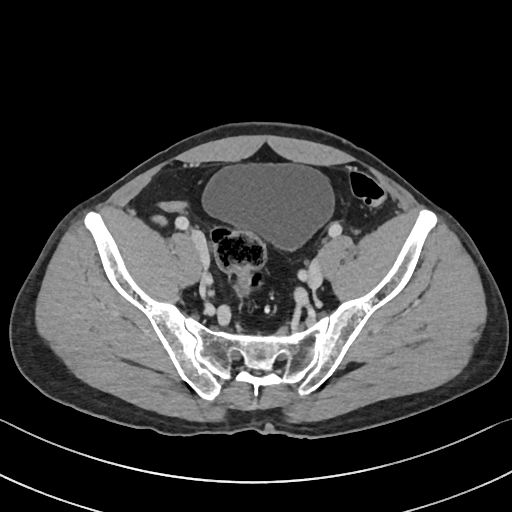
CT abdomen; Axial slice 52/291; 512x512 px
Bounding boxes in pixels, one row per box: x1, y1 is the top-left corner and x2, y2 the bottom-right.
| organ | x1 | y1 | x2 | y2 |
|---|---|---|---|---|
| bladder | 202 | 164 | 334 | 250 |